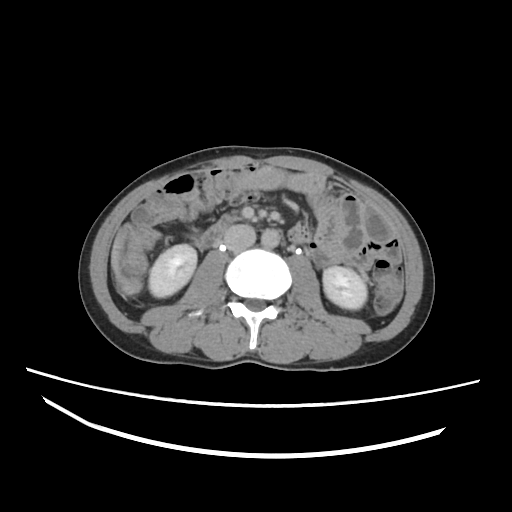 CT, abdomen/pelvis; axial view; soft-tissue window (W 400 / L 40); 512x512 px; 40-year-old male patient
Organ boxes in pixel coordinates; each row gives the top-left (x1, y1) and bottom-right (x2, y2) corners.
| organ | x1 | y1 | x2 | y2 |
|---|---|---|---|---|
| aorta | 260 | 229 | 281 | 247 |
| left kidney | 322 | 265 | 367 | 308 |
| duodenum | 199 | 212 | 240 | 247 |
| right kidney | 147 | 244 | 196 | 299 |
| inferior vena cava | 222 | 223 | 256 | 251 |
| liver | 111 | 223 | 131 | 287 |